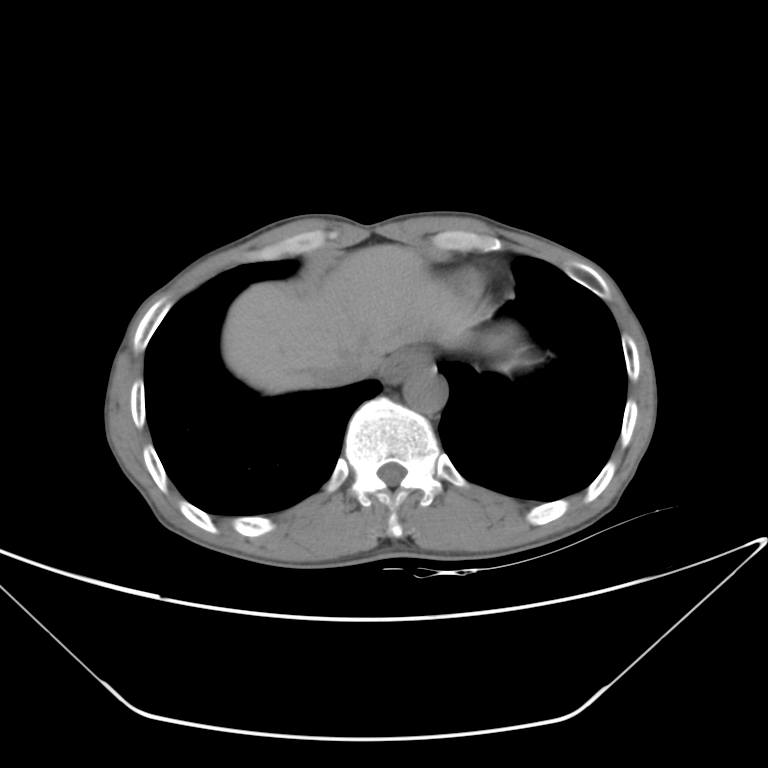 CT abdomen · axial view · 768x768 px · acquired on Brilliance16
Boxes: x1 y1 x2 y2 (pixel coords, space-separated).
Organ bounding boxes:
- esophagus: 381 348 433 384
- liver: 222 243 512 393
- aorta: 403 368 447 413
- inferior vena cava: 320 352 373 385